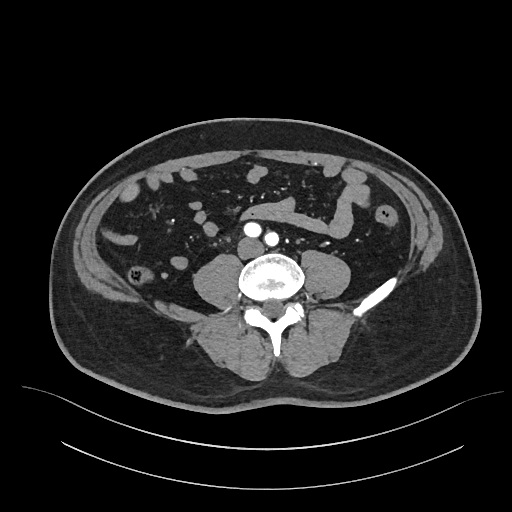 CT, abdomen/pelvis. axial view. 512x512 px. 15 organs annotated in this scan (counted over the whole 3D scan, not this slice; an organ is boxed only where this slice passes through it)
{"organs":{"inferior vena cava":[238,238,263,257]}}